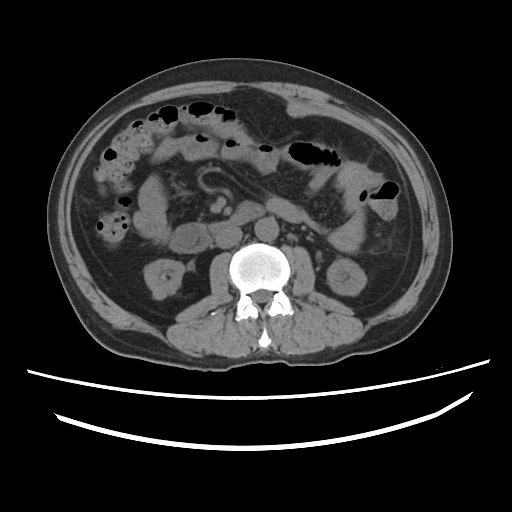
Abdominal CT — axial view — 512x512 px
One row per box, in pixels: columns x1 and y1 give the top-left corner, x2 and y2 the bottom-right.
| organ | x1 | y1 | x2 | y2 |
|---|---|---|---|---|
| right kidney | 144 | 259 | 184 | 299 |
| left kidney | 327 | 258 | 366 | 295 |
| aorta | 254 | 217 | 278 | 241 |
| inferior vena cava | 215 | 226 | 242 | 248 |
| duodenum | 169 | 201 | 265 | 252 |